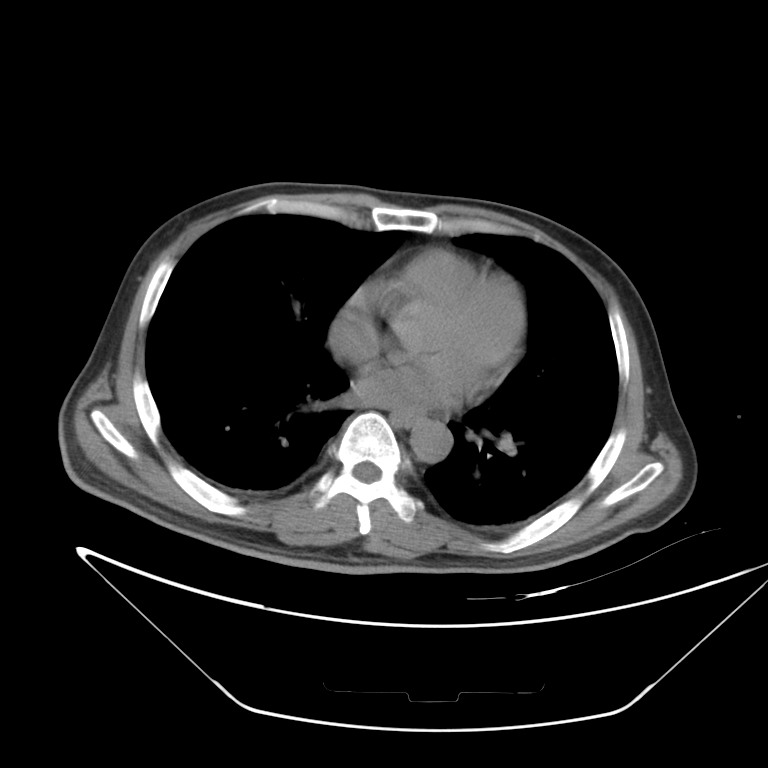 Lower-chest slice from an abdominal CT, just above the liver and spleen — Axial slice 104/107 — soft-tissue window — Brilliance16 scanner
No part of the heart or lungs is labeled in this dataset, so neither has a box here.
<organs><organ name="esophagus" x1="393" y1="412" x2="421" y2="427"/><organ name="aorta" x1="410" y1="420" x2="452" y2="463"/></organs>